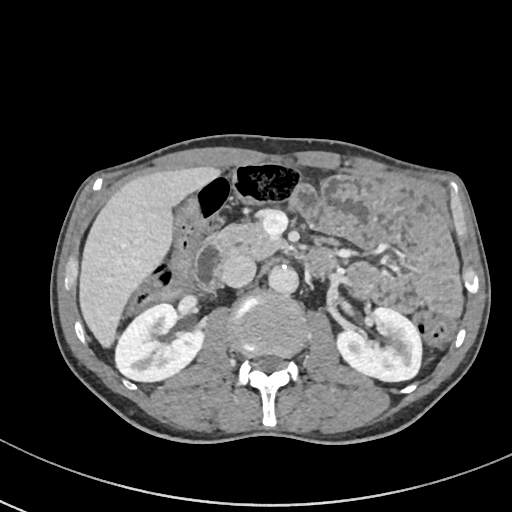 Computed tomography, abdomen. axial view. acquired on SOMATOM Force
<organs><organ name="right kidney" x1="114" y1="304" x2="203" y2="380"/><organ name="left kidney" x1="337" y1="306" x2="422" y2="381"/><organ name="gall bladder" x1="184" y1="197" x2="199" y2="215"/><organ name="liver" x1="80" y1="167" x2="217" y2="344"/><organ name="aorta" x1="268" y1="264" x2="298" y2="293"/><organ name="inferior vena cava" x1="221" y1="253" x2="256" y2="287"/><organ name="pancreas" x1="212" y1="222" x2="283" y2="258"/><organ name="duodenum" x1="194" y1="243" x2="334" y2="288"/></organs>